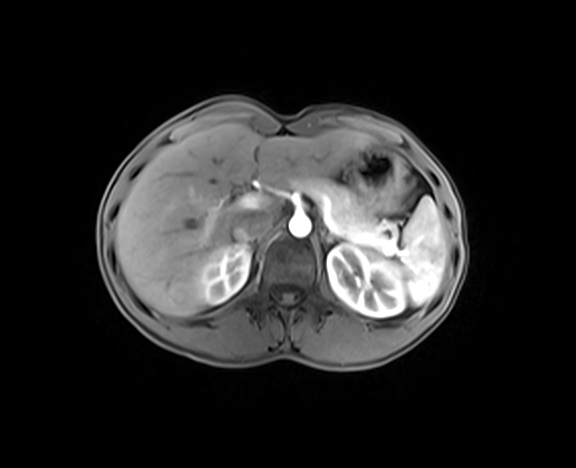 Abdominal MR · axial view · 576x468 px
Bounding boxes in pixels, one row per box: x1, y1 is the top-left corner and x2, y2 the bottom-right.
| organ | x1 | y1 | x2 | y2 |
|---|---|---|---|---|
| spleen | 396 | 196 | 447 | 305 |
| right kidney | 194 | 243 | 250 | 304 |
| left kidney | 327 | 243 | 406 | 316 |
| liver | 115 | 123 | 373 | 316 |
| stomach | 350 | 146 | 406 | 214 |
| aorta | 288 | 215 | 311 | 237 |
| inferior vena cava | 231 | 208 | 271 | 239 |
| pancreas | 290 | 177 | 378 | 235 |
| left adrenal gland | 320 | 232 | 333 | 249 |